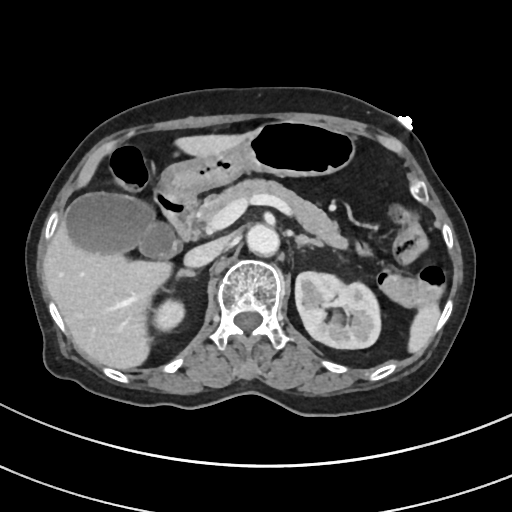

Computed tomography, abdomen. axial view. 512x512 px
One row per box, in pixels: columns x1 and y1 give the top-left corner, x2 and y2 the bottom-right.
| organ | x1 | y1 | x2 | y2 |
|---|---|---|---|---|
| spleen | 409 | 302 | 440 | 353 |
| right kidney | 154 | 302 | 183 | 329 |
| left kidney | 294 | 271 | 379 | 349 |
| gall bladder | 66 | 192 | 180 | 258 |
| liver | 43 | 130 | 253 | 370 |
| stomach | 155 | 120 | 355 | 199 |
| aorta | 248 | 225 | 280 | 258 |
| inferior vena cava | 185 | 240 | 226 | 268 |
| pancreas | 195 | 180 | 350 | 250 |
| right adrenal gland | 175 | 269 | 196 | 277 |
| left adrenal gland | 295 | 236 | 324 | 247 |
| duodenum | 153 | 189 | 194 | 240 |